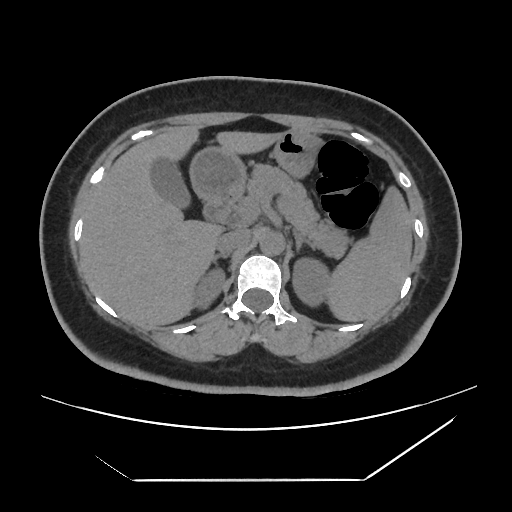

Computed tomography, abdomen — axial view — scan has 15 labeled organs (a whole-scan count: organs this slice does not pass through have no box)
Box edges are left/top/right/bottom in pixels. Labeled organs on this slice: spleen at left=328, top=187, right=412, bottom=321, right kidney at left=192, top=266, right=225, bottom=310, left kidney at left=292, top=257, right=331, bottom=308, gall bladder at left=150, top=156, right=189, bottom=207, liver at left=79, top=125, right=281, bottom=326, stomach at left=189, top=130, right=319, bottom=202, aorta at left=259, top=230, right=284, bottom=255, inferior vena cava at left=215, top=228, right=250, bottom=252, pancreas at left=246, top=165, right=351, bottom=257, right adrenal gland at left=212, top=253, right=229, bottom=261, left adrenal gland at left=293, top=231, right=314, bottom=249, duodenum at left=202, top=198, right=234, bottom=226.